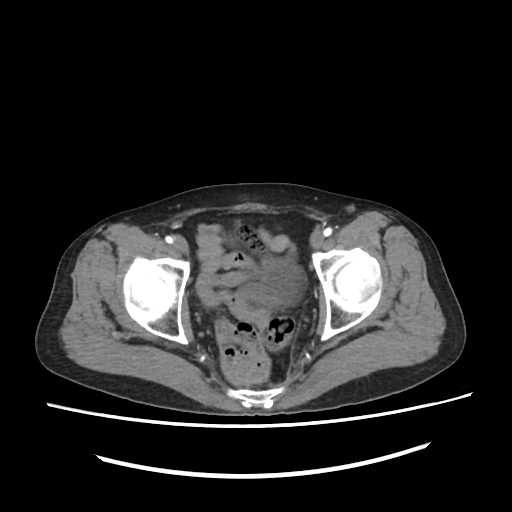 Abdominal CT · axial view
One row per box, in pixels: columns x1 and y1 give the top-left corner, x2 and y2 the bottom-right.
| organ | x1 | y1 | x2 | y2 |
|---|---|---|---|---|
| bladder | 246 | 259 | 302 | 304 |